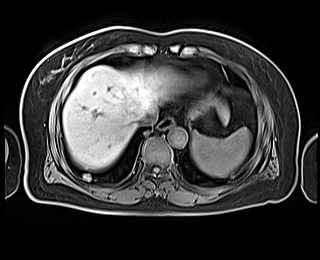 Magnetic resonance imaging, abdomen. Axial slice 62/72
One row per box, in pixels: columns x1 and y1 give the top-left corner, x2 and y2 the bottom-right.
| organ | x1 | y1 | x2 | y2 |
|---|---|---|---|---|
| spleen | 191 | 127 | 250 | 177 |
| esophagus | 158 | 118 | 174 | 130 |
| liver | 63 | 66 | 229 | 171 |
| stomach | 204 | 116 | 212 | 127 |
| aorta | 167 | 127 | 187 | 147 |
| inferior vena cava | 137 | 110 | 157 | 126 |